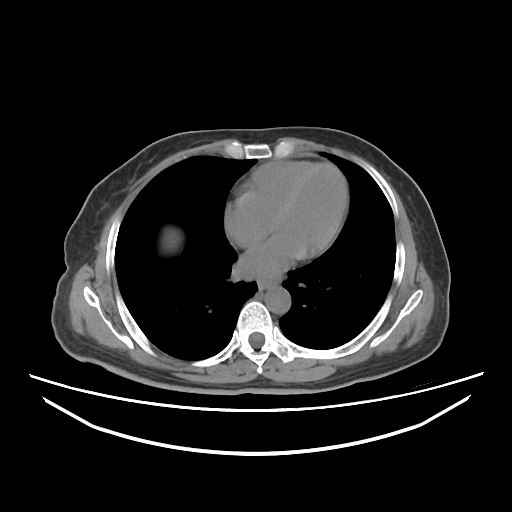
Computed tomography, abdomen. axial view. soft-tissue window (W 400 / L 40). 512x512 px. 49-year-old female patient. Aquilion ONE scanner
Boxes: x1:y1:x2:y2 in pixels.
esophagus: 258:277:279:291
liver: 162:229:181:250
aorta: 265:285:290:314